CT of the abdomen reaching into the lower chest, slice just above the liver and spleen · axial view · soft-tissue window, W/L 400/40 · 768x768 px · 31-year-old male patient
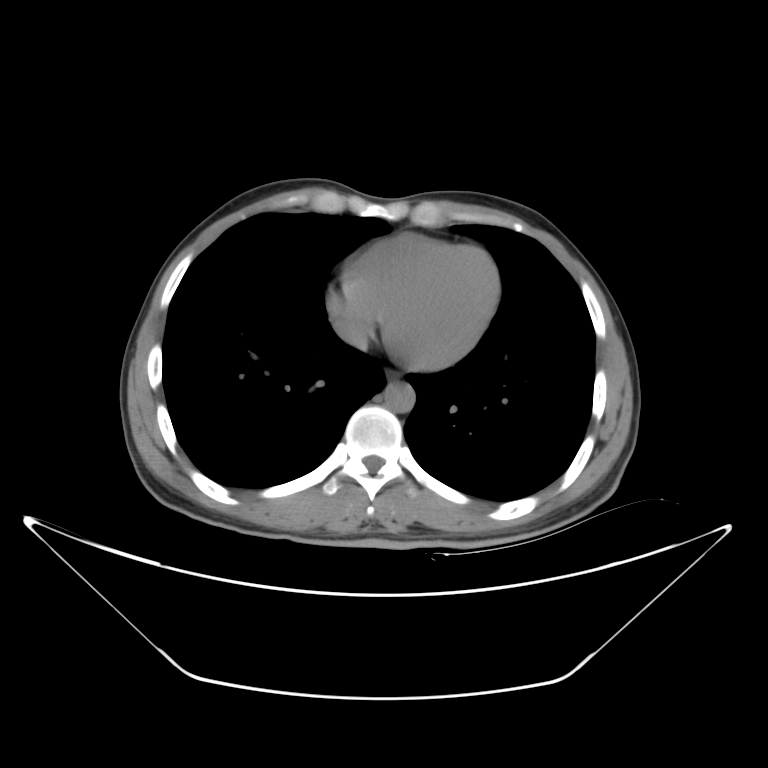 No part of the heart or lungs is labeled in this dataset, so neither has a box here.
<organs><organ name="aorta" x1="384" y1="381" x2="414" y2="413"/><organ name="inferior vena cava" x1="332" y1="311" x2="377" y2="350"/></organs>